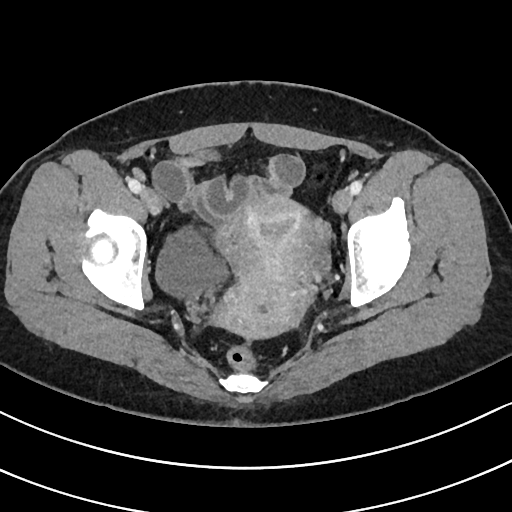
Computed tomography, abdomen · axial view · abdomen soft-tissue window · 512x512 px · 15 organs annotated in this scan (counted over the whole 3D scan, not this slice; an organ is boxed only where this slice passes through it)
<organs><organ name="prostate/uterus" x1="216" y1="194" x2="316" y2="338"/><organ name="bladder" x1="155" y1="227" x2="228" y2="300"/></organs>